CT, abdomen/pelvis; axial view; W/L 400/40 HU; scan has 15 labeled organs (counted over the whole 3D scan, not this slice; an organ is boxed only where this slice passes through it)
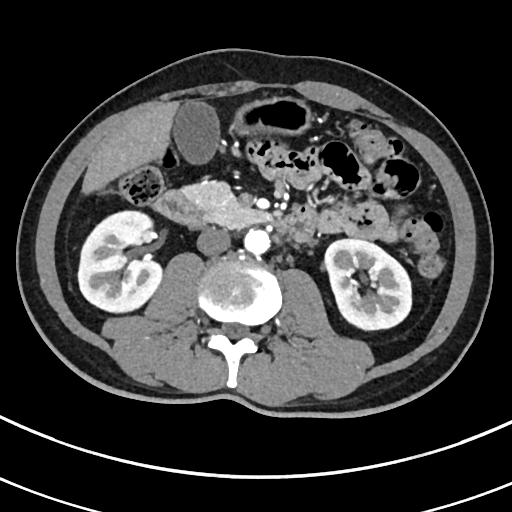 One row per box, in pixels: columns x1 and y1 give the top-left corner, x2 and y2 the bottom-right.
| organ | x1 | y1 | x2 | y2 |
|---|---|---|---|---|
| right kidney | 78 | 212 | 163 | 314 |
| left kidney | 325 | 239 | 412 | 331 |
| gall bladder | 174 | 101 | 220 | 165 |
| liver | 81 | 101 | 181 | 193 |
| stomach | 229 | 95 | 313 | 136 |
| aorta | 243 | 228 | 269 | 254 |
| inferior vena cava | 196 | 228 | 229 | 256 |
| pancreas | 181 | 180 | 267 | 228 |
| duodenum | 151 | 191 | 315 | 241 |